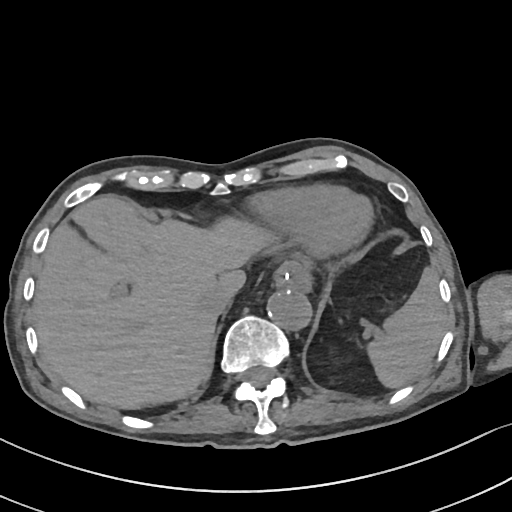
CT abdomen — axial plane, index 170 — 512x512 px
One row per box, in pixels: columns x1 and y1 give the top-left corner, x2 and y2 the bottom-right.
| organ | x1 | y1 | x2 | y2 |
|---|---|---|---|---|
| stomach | 287 | 254 | 309 | 269 |
| esophagus | 272 | 264 | 310 | 290 |
| spleen | 370 | 268 | 445 | 388 |
| inferior vena cava | 198 | 290 | 238 | 316 |
| aorta | 268 | 288 | 313 | 332 |
| liver | 33 | 193 | 275 | 409 |